Computed tomography, abdomen — axial view — soft-tissue window — 512x512 px — 15 organs annotated in this scan (a whole-scan count: organs this slice does not pass through have no box)
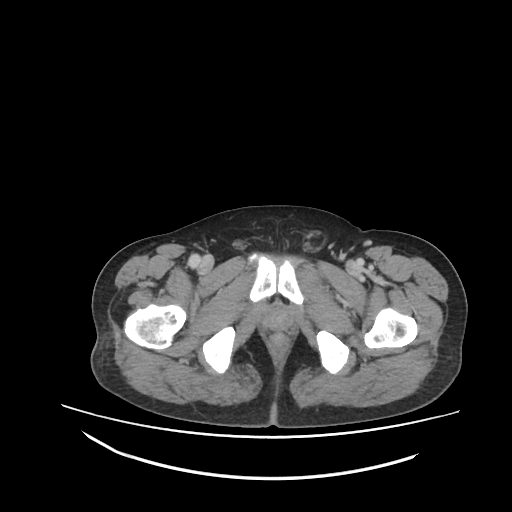

{"organs":{"prostate/uterus":[267,308,289,330]}}